Computed tomography, abdomen; axial view; W/L 400/40 HU; SOMATOM Force scanner; scan has 15 labeled organs (counted over the whole 3D scan, not this slice; an organ is boxed only where this slice passes through it)
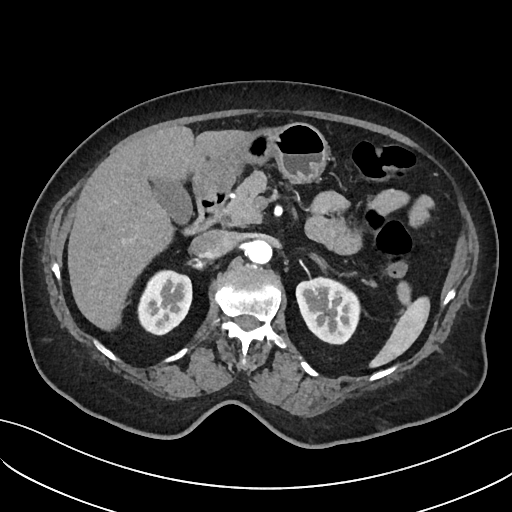
Each box given as x1,y1,x2,y2. 11 labeled organs on this slice — spleen at x1=370, y1=297, x2=429, y2=367; right kidney at x1=137, y1=270, x2=192, y2=334; left kidney at x1=296, y1=277, x2=360, y2=343; gall bladder at x1=152, y1=180, x2=192, y2=223; liver at x1=67, y1=126, x2=248, y2=330; stomach at x1=192, y1=122, x2=328, y2=195; aorta at x1=246, y1=239, x2=272, y2=263; inferior vena cava at x1=190, y1=229, x2=235, y2=257; pancreas at x1=220, y1=171, x2=375, y2=286; right adrenal gland at x1=190, y1=259, x2=204, y2=267; duodenum at x1=184, y1=188, x2=229, y2=234.